Computed tomography, abdomen · axial view · 512x512 px
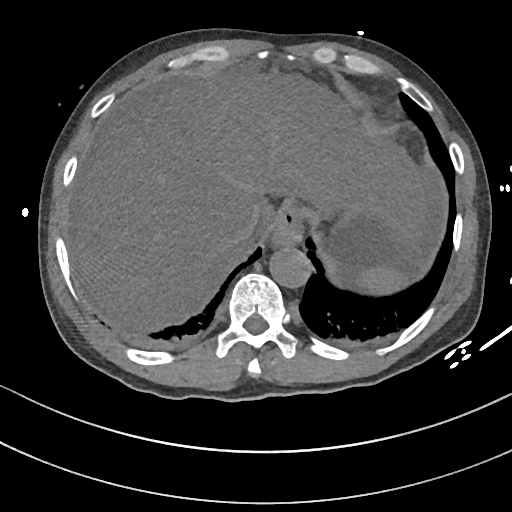 <organs><organ name="spleen" x1="354" y1="267" x2="403" y2="294"/><organ name="esophagus" x1="270" y1="200" x2="306" y2="247"/><organ name="liver" x1="70" y1="71" x2="425" y2="332"/><organ name="stomach" x1="307" y1="208" x2="427" y2="279"/><organ name="aorta" x1="269" y1="246" x2="311" y2="288"/><organ name="inferior vena cava" x1="234" y1="215" x2="257" y2="244"/></organs>